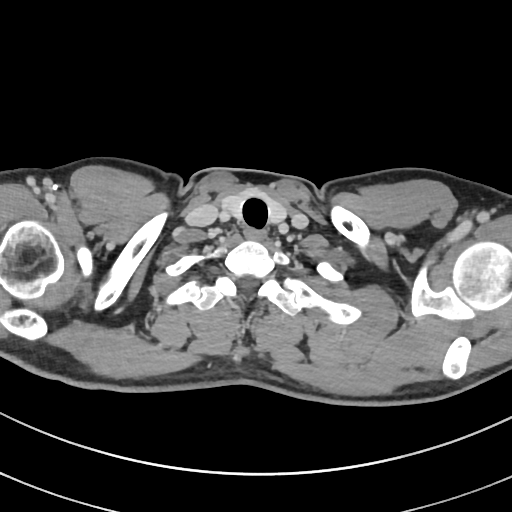 Abdominal CT reaching into the chest; this slice is in the chest. Axial slice 289/298. soft-tissue window, W/L 400/40. 512x512 px
At this level of the chest this dataset labels only the esophagus and the aorta, and each is boxed only where it is labeled; the heart and lungs are never labeled. Boxes are (x1, y1, x2, y2) in pixels. The annotated organs in this slice are: esophagus at (243, 227, 267, 241).